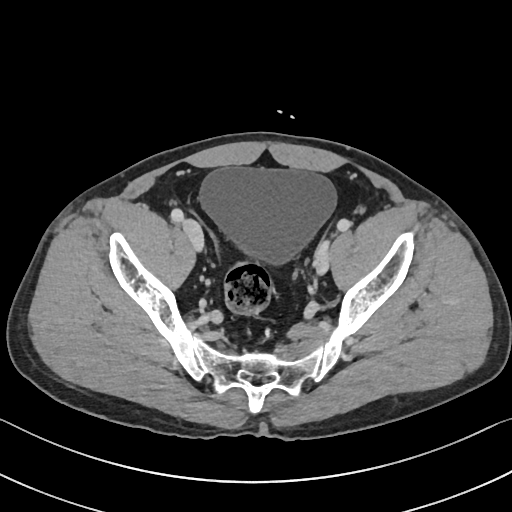 Abdominal CT; axial view; soft-tissue window; 512x512 px; scan has 15 labeled organs (that count is for the whole scan; organs this slice misses have no box)
One row per box, in pixels: columns x1 and y1 give the top-left corner, x2 and y2 the bottom-right.
| organ | x1 | y1 | x2 | y2 |
|---|---|---|---|---|
| bladder | 198 | 167 | 337 | 265 |